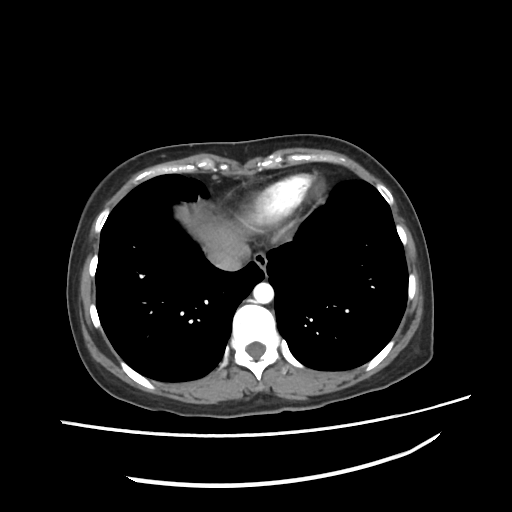

CT, abdomen/pelvis — axial view — 47-year-old female patient — scan has 15 labeled organs (a whole-scan count: organs this slice does not pass through have no box)
<organs><organ name="esophagus" x1="253" y1="251" x2="267" y2="272"/><organ name="liver" x1="189" y1="225" x2="238" y2="253"/><organ name="aorta" x1="253" y1="282" x2="273" y2="303"/><organ name="inferior vena cava" x1="209" y1="244" x2="250" y2="270"/></organs>